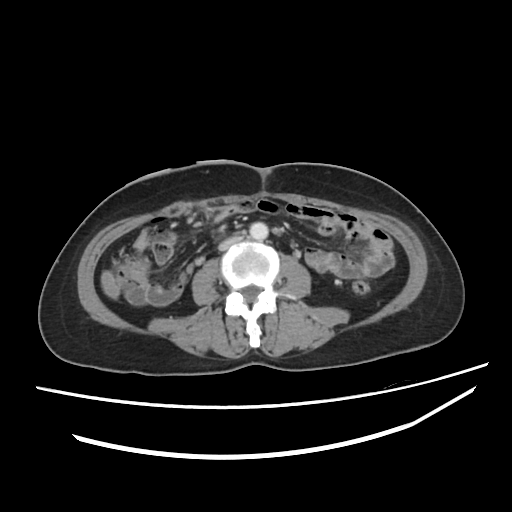

CT abdomen · Axial slice 46/118 · soft-tissue window (W 400 / L 40) · 512x512 px · acquired on Aquilion ONE
Each box given as x1,y1,x2,y2.
aorta: x1=249, y1=222, x2=268, y2=240
inferior vena cava: x1=218, y1=235, x2=243, y2=250